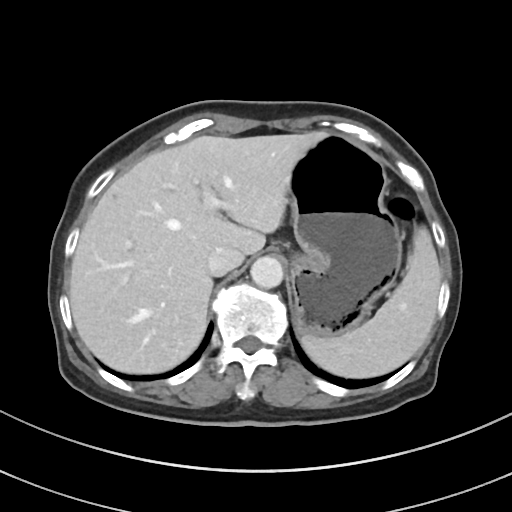

CT, abdomen/pelvis — axial view — soft-tissue window (W 400 / L 40) — scan has 15 labeled organs (counted over the whole 3D scan, not this slice; an organ is boxed only where this slice passes through it)
{"organs":{"spleen":[302,227,441,378],"liver":[69,131,327,373],"stomach":[288,133,401,337],"aorta":[250,256,283,288],"inferior vena cava":[208,247,244,276]}}